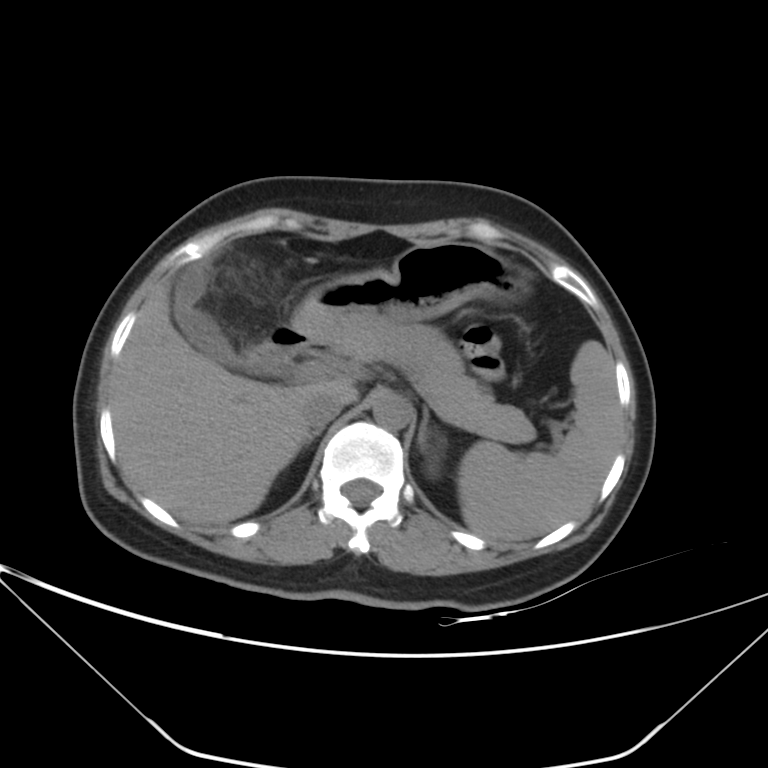
CT, abdomen/pelvis. axial view. soft-tissue window (W 400 / L 40). 15 organs annotated in this scan (that count is for the whole scan; organs this slice misses have no box)
Coordinates as <box>x1,y1,x2,y2</box> in pixels. 11 labeled organs on this slice — spleen at <box>458,340,621,540</box>; left kidney at <box>428,463,437,476</box>; gall bladder at <box>173,263,248,367</box>; liver at <box>112,282,358,525</box>; stomach at <box>291,242,531,342</box>; aorta at <box>373,392,411,430</box>; inferior vena cava at <box>302,390,344,429</box>; pancreas at <box>327,324,533,438</box>; right adrenal gland at <box>299,428,322,451</box>; left adrenal gland at <box>417,408,429,449</box>; duodenum at <box>249,326,312,374</box>.